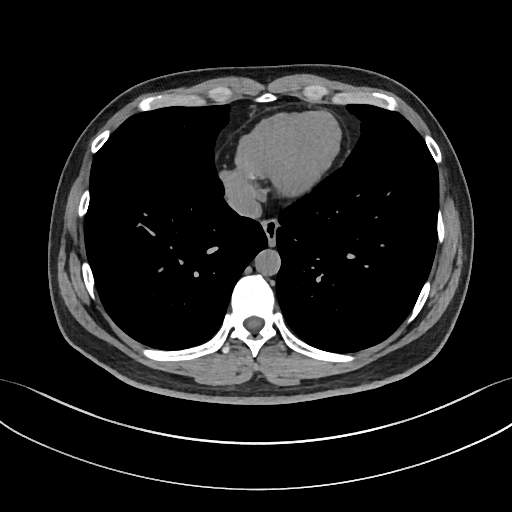
Lower-chest slice from an abdominal CT, just above the liver and spleen; axial view; 512x512 px; 15 organs annotated in this scan (counted over the whole 3D scan, not this slice; an organ is boxed only where this slice passes through it)
The heart and lungs are never labeled in this dataset, so they have no box on this slice. Box edges are left/top/right/bottom in pixels. The annotated organs in this slice are: esophagus at left=261, top=220, right=278, bottom=247, aorta at left=254, top=249, right=280, bottom=275, inferior vena cava at left=226, top=182, right=262, bottom=218.